Abdominal CT · axial plane, index 42 · soft-tissue window (W 400 / L 40) · 58-year-old male patient · scan has 15 labeled organs (counted over the whole 3D scan, not this slice; an organ is boxed only where this slice passes through it)
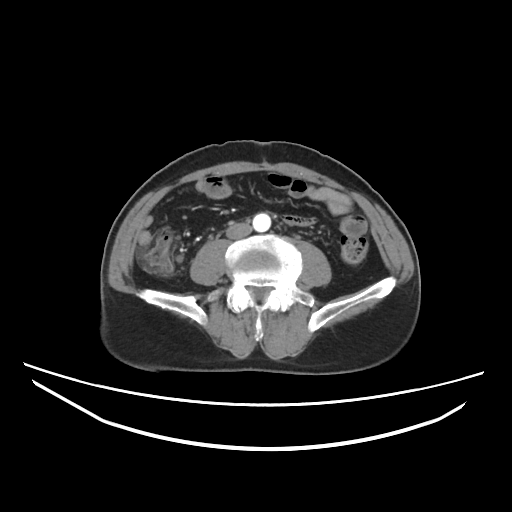

{"organs":{"aorta":[252,213,270,232],"inferior vena cava":[226,223,251,238]}}